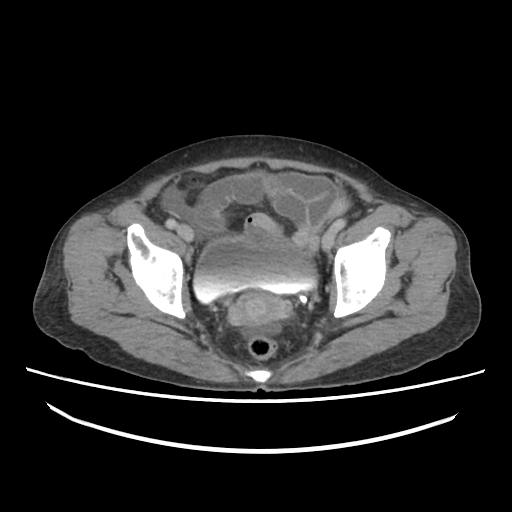 Computed tomography, abdomen · Axial slice 21/100 · acquired on Aquilion ONE
<organs><organ name="bladder" x1="193" y1="237" x2="316" y2="301"/><organ name="prostate/uterus" x1="238" y1="295" x2="277" y2="326"/></organs>